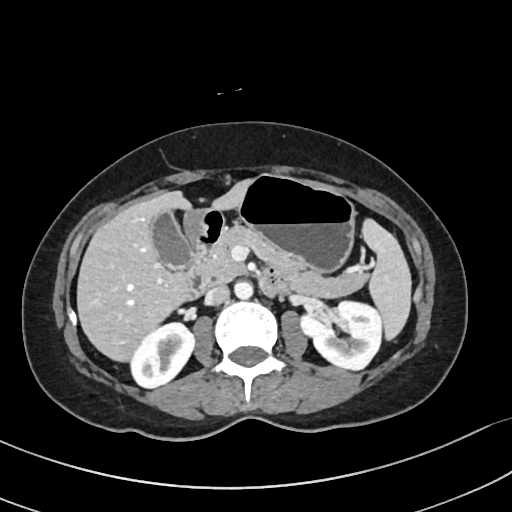 Computed tomography, abdomen; Axial slice 129/175; soft-tissue window; 512x512 px
Coordinates as <box>x1,y1,x2,y2</box> in pixels.
gall bladder: <box>150,210,193,270</box>
left kidney: <box>300,301,381,369</box>
duodenum: <box>183,208,287,300</box>
pancreas: <box>199,224,368,298</box>
spleen: <box>361,218,411,340</box>
liver: <box>76,179,253,362</box>
stomach: <box>185,174,355,272</box>
right kidney: <box>131,323,194,387</box>
aorta: <box>234,281,253,299</box>
inferior vena cava: <box>205,285,229,305</box>